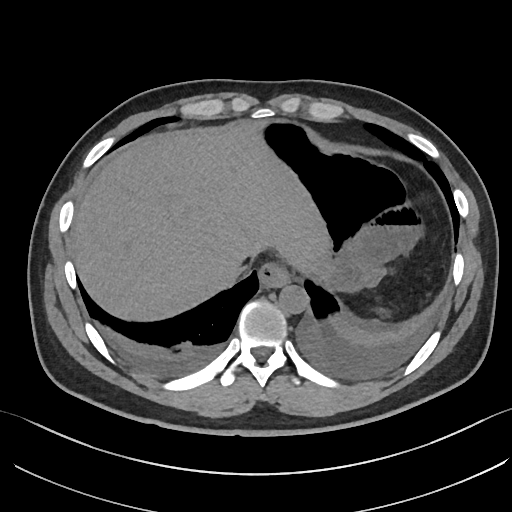 Abdominal CT. Axial slice 207/234
Boxes: x1:y1:x2:y2 in pixels.
inferior vena cava: 214:260:244:286
liver: 70:124:327:323
stomach: 254:120:407:293
esophagus: 258:261:289:287
aorta: 278:284:308:315